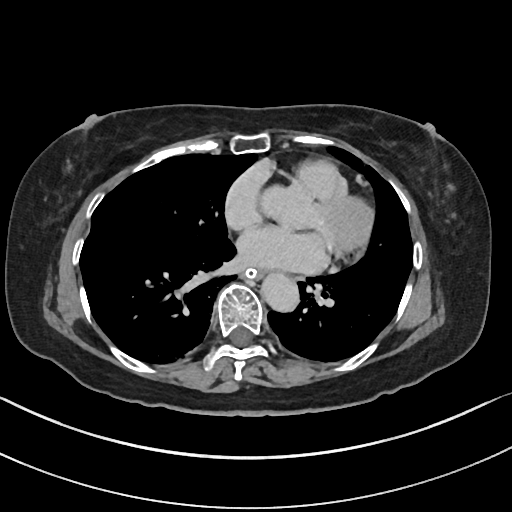

Lower-chest slice from an abdominal CT, just above the liver and spleen — axial view — soft-tissue window (W 400 / L 40) — 15 organs annotated in this scan (that count is for the whole scan; organs this slice misses have no box)
The heart and lungs are never labeled in this dataset, so they have no box on this slice.
Boxes: x1 y1 x2 y2 (pixel coords, space-separated).
esophagus: 246 269 267 280
aorta: 262 274 300 313